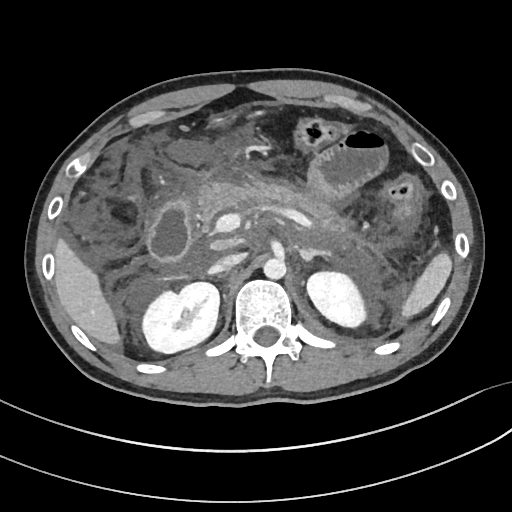 Computed tomography, abdomen; axial view; soft-tissue window (W 400 / L 40)
Coordinates as <box>x1,y1,x2,y2</box> in pixels.
spleen: <box>401,253,450,316</box>
right kidney: <box>141,282,219,353</box>
left kidney: <box>306,270,369,327</box>
liver: <box>55,238,119,343</box>
aorta: <box>263,257,285,278</box>
inferior vena cava: <box>209,253,244,273</box>
pancreas: <box>196,183,345,232</box>
left adrenal gland: <box>298,247,332,258</box>
duodenum: <box>147,201,190,261</box>